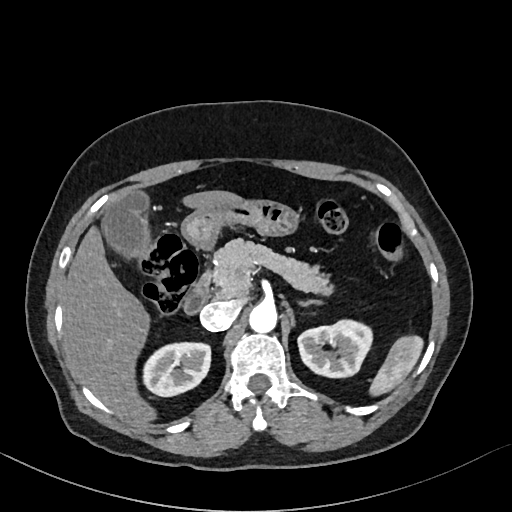
CT abdomen · axial view · 512x512 px
{"organs":{"spleen":[372,336,422,393],"right kidney":[144,342,210,396],"left kidney":[298,317,373,377],"gall bladder":[105,193,147,254],"liver":[65,191,236,423],"stomach":[182,197,297,247],"aorta":[249,301,277,331],"inferior vena cava":[200,301,239,329],"pancreas":[211,239,330,298],"left adrenal gland":[299,300,321,306],"duodenum":[183,269,214,314]}}